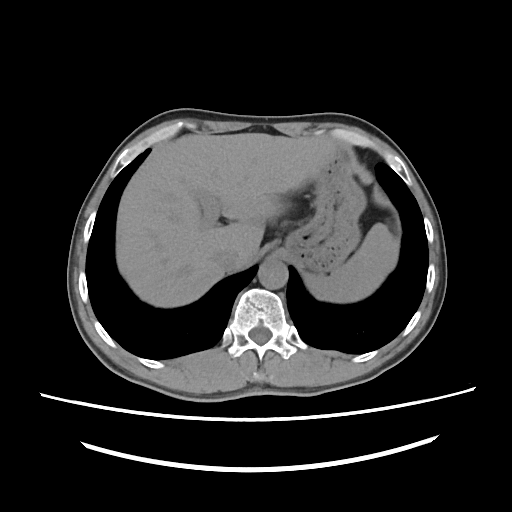 Computed tomography, abdomen; axial view; abdomen soft-tissue window; 512x512 px
Boxes are (x1, y1, x2, y2) in pixels.
spleen: (310, 223, 398, 300)
liver: (117, 133, 344, 306)
stomach: (283, 152, 365, 274)
aorta: (257, 259, 288, 289)
inferior vena cava: (211, 246, 240, 272)